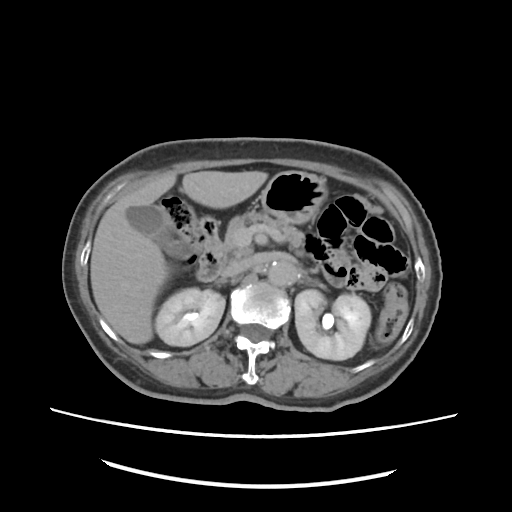

CT abdomen; axial view; W/L 400/40 HU
Boxes: x1:y1:x2:y2 in pixels.
inferior vena cava: 220:257:256:279
duodenum: 197:217:221:280
left kidney: 295:290:371:360
right kidney: 155:288:225:346
aorta: 268:261:296:287
liver: 90:171:267:345
stomach: 258:171:328:222
pancreas: 222:209:305:262
gall bladder: 126:204:194:259
right adrenal gland: 213:277:235:282
left adrenal gland: 306:277:315:283